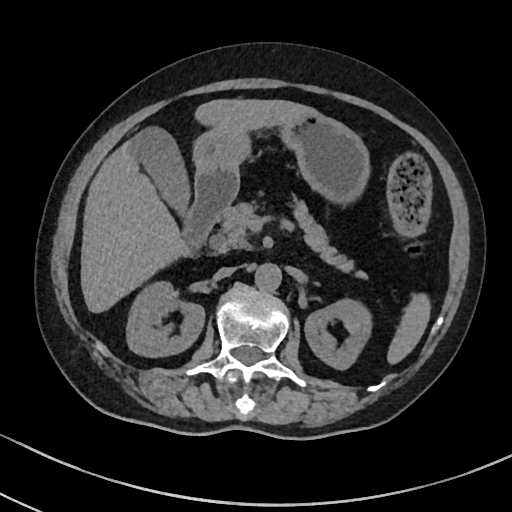
Computed tomography, abdomen · axial plane, index 142 · soft-tissue window · 512x512 px
{"organs":{"spleen":[388,295,431,363],"right kidney":[127,283,205,357],"left kidney":[305,301,369,369],"gall bladder":[129,127,189,214],"liver":[81,99,318,313],"stomach":[194,114,369,200],"aorta":[255,264,282,293],"inferior vena cava":[216,266,235,277],"pancreas":[209,194,367,279],"duodenum":[183,170,239,241]}}